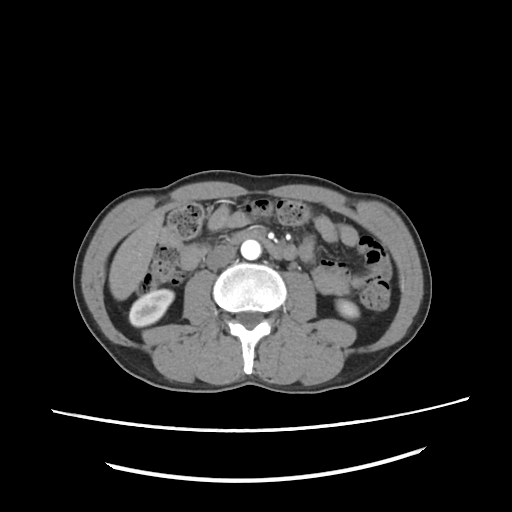
CT, abdomen/pelvis. Axial slice 58/86. 512x512 px. 55-year-old male patient. 15 organs annotated in this scan (counted over the whole 3D scan, not this slice; an organ is boxed only where this slice passes through it)
Organ boxes in pixel coordinates; each row gives the top-left (x1, y1) and bottom-right (x2, y2) corners.
| organ | x1 | y1 | x2 | y2 |
|---|---|---|---|---|
| right kidney | 128 | 290 | 175 | 327 |
| left kidney | 337 | 300 | 359 | 318 |
| liver | 109 | 211 | 164 | 300 |
| aorta | 241 | 240 | 261 | 260 |
| inferior vena cava | 205 | 244 | 236 | 268 |
| duodenum | 228 | 230 | 283 | 259 |